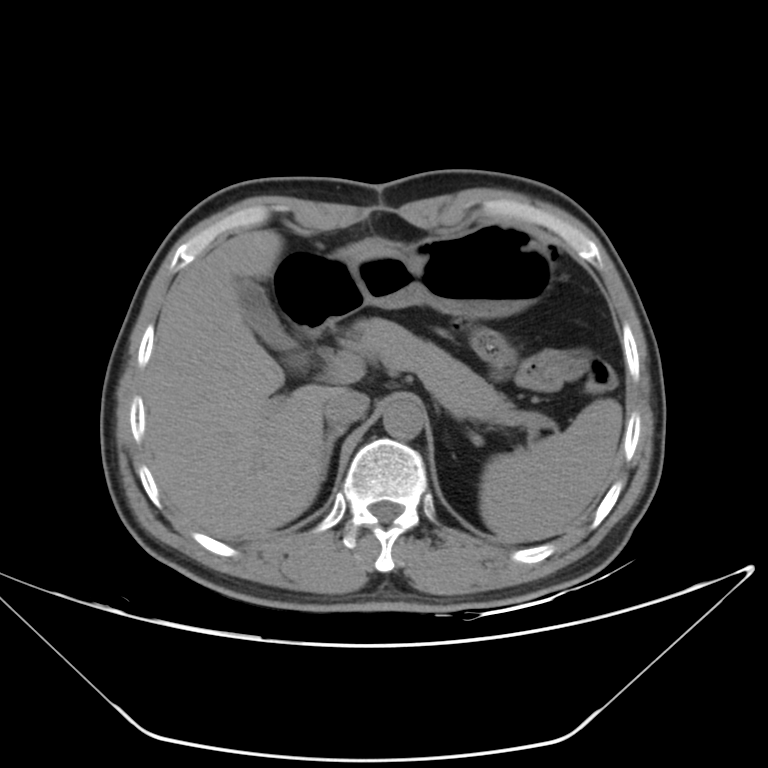
CT, abdomen/pelvis; axial view; 768x768 px; 50-year-old male patient
Boxes: x1 y1 x2 y2 (pixel coords, space-separated). 9 labeled organs on this slice — spleen at 479 398 622 543; gall bladder at 235 277 294 350; liver at 145 230 401 539; stomach at 268 225 552 336; aorta at 382 398 424 439; inferior vena cava at 324 389 368 427; pancreas at 344 318 514 418; right adrenal gland at 324 425 347 475; duodenum at 282 311 304 367.